CT, abdomen/pelvis · Axial slice 107/187 · soft-tissue window
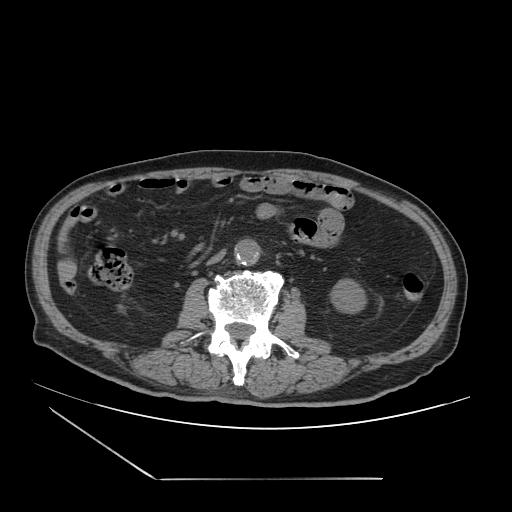

Bounding boxes as [x1, y1, x2, y2] in pixel coordinates.
left kidney: [330, 279, 366, 313]
aorta: [234, 239, 260, 265]
inferior vena cava: [207, 250, 225, 264]